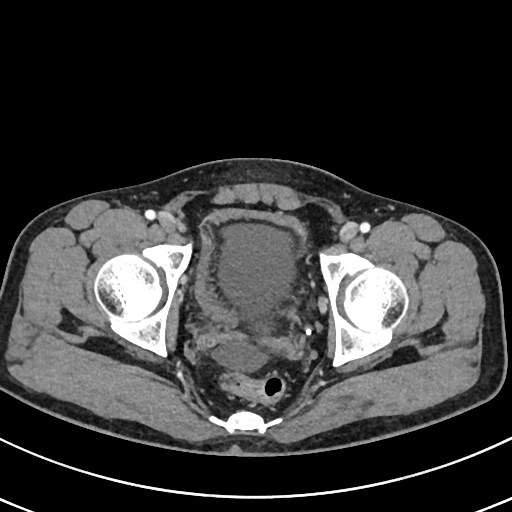
CT abdomen. axial view. scan has 15 labeled organs (counted over the whole 3D scan, not this slice; an organ is boxed only where this slice passes through it)
One row per box, in pixels: columns x1 and y1 give the top-left corner, x2 and y2 the bottom-right.
| organ | x1 | y1 | x2 | y2 |
|---|---|---|---|---|
| bladder | 195 | 210 | 306 | 323 |